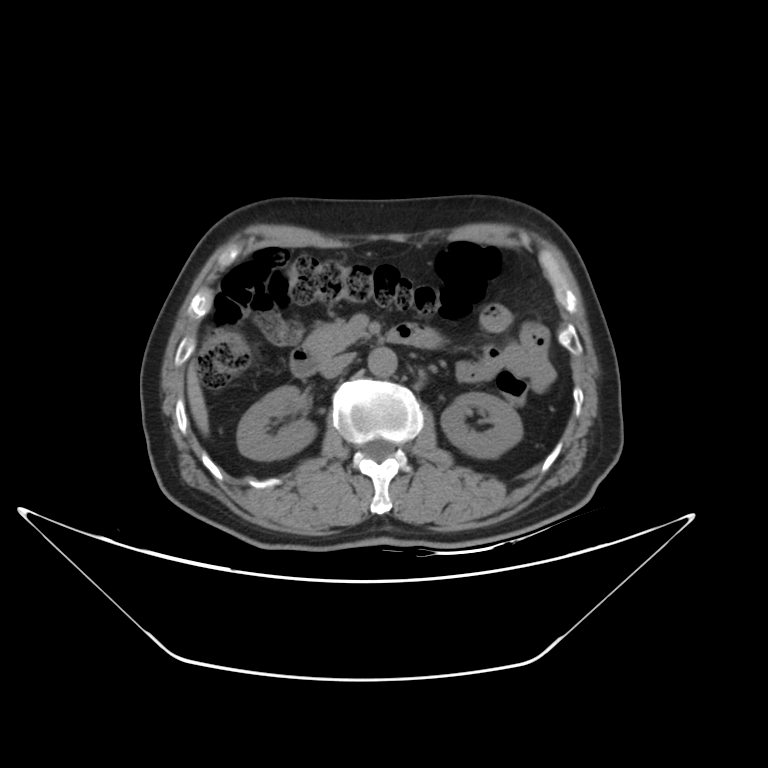
Computed tomography, abdomen; axial plane, index 71; 71-year-old male patient; Brilliance16 scanner
Boxes: x1 y1 x2 y2 (pixel coords, space-separated).
inferior vena cava: 320 352 354 376
aorta: 368 347 397 376
pancreas: 306 321 363 358
duodenum: 291 326 443 379
liver: 187 357 208 434
right kidney: 237 386 315 459
left kidney: 443 392 523 457